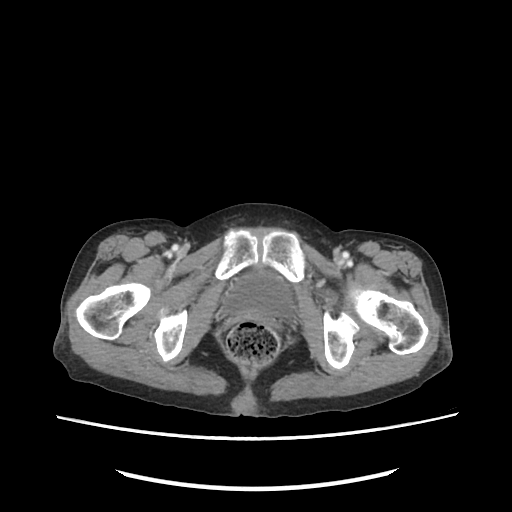
CT abdomen — axial view — 73-year-old female patient — Aquilion ONE scanner — 15 organs annotated in this scan (counted over the whole 3D scan, not this slice; an organ is boxed only where this slice passes through it)
{"organs":{"bladder":[225,275,294,320]}}